Computed tomography, abdomen. axial view. abdomen soft-tissue window
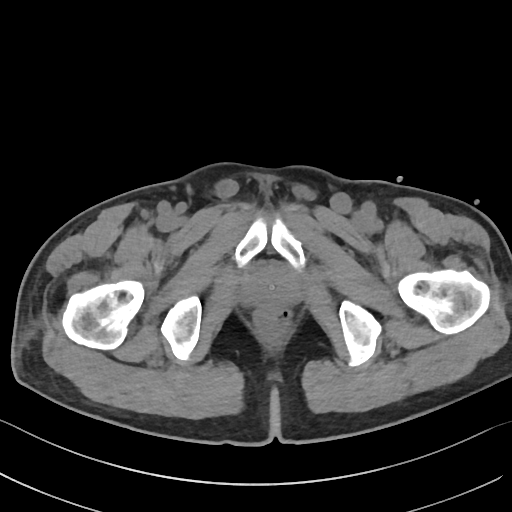 Boxes are (x1, y1, x2, y2) in pixels.
prostate/uterus: (245, 269, 295, 305)